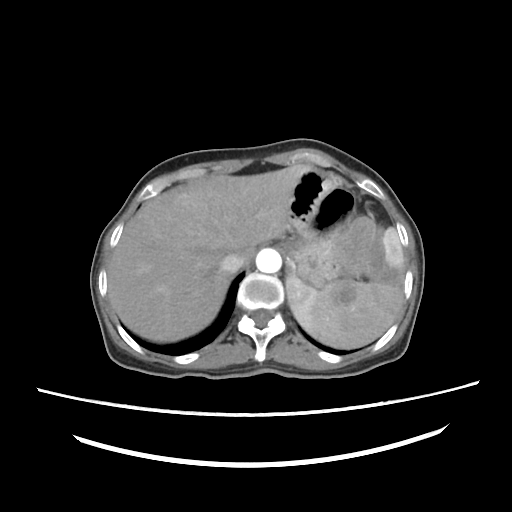

Abdominal CT — axial view — soft-tissue window — 58-year-old female patient — scan has 15 labeled organs (a whole-scan count: organs this slice does not pass through have no box)
Box edges are left/top/right/bottom in pixels.
Organ bounding boxes:
- spleen: left=285, top=226, right=403, bottom=348
- liver: left=107, top=165, right=317, bottom=341
- stomach: left=276, top=170, right=403, bottom=304
- aorta: left=255, top=247, right=281, bottom=273
- inferior vena cava: left=220, top=253, right=244, bottom=273